CT, abdomen/pelvis; axial view
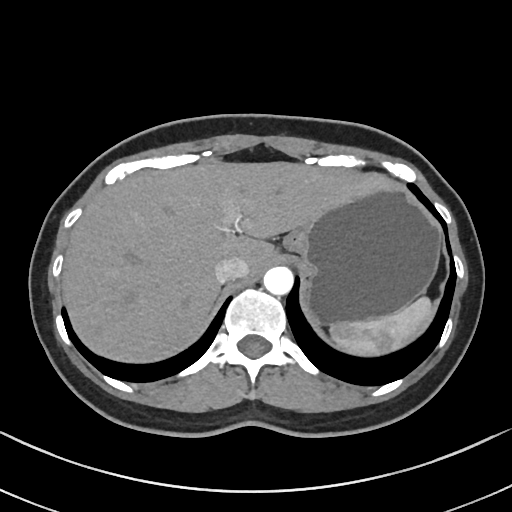
One row per box, in pixels: columns x1 and y1 give the top-left corner, x2 and y2 the bottom-right.
| organ | x1 | y1 | x2 | y2 |
|---|---|---|---|---|
| spleen | 330 | 297 | 432 | 355 |
| liver | 62 | 160 | 391 | 362 |
| stomach | 283 | 185 | 440 | 325 |
| aorta | 263 | 266 | 293 | 295 |
| inferior vena cava | 215 | 257 | 248 | 283 |